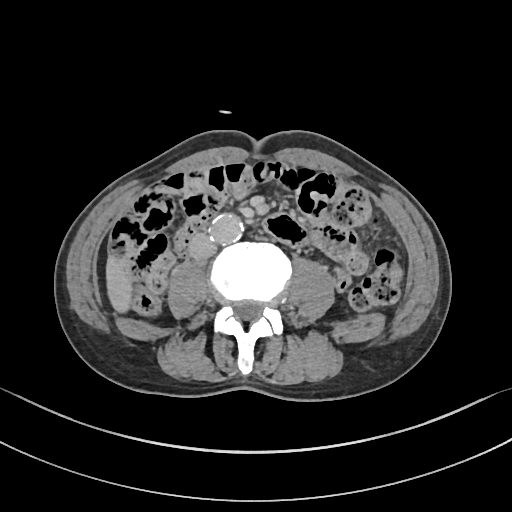

CT, abdomen/pelvis — axial view — SOMATOM Force scanner
Bounding boxes in pixels, one row per box: x1, y1 is the top-left corner and x2, y2 the bottom-right.
| organ | x1 | y1 | x2 | y2 |
|---|---|---|---|---|
| liver | 107 | 259 | 131 | 313 |
| aorta | 210 | 215 | 245 | 244 |
| inferior vena cava | 190 | 236 | 217 | 257 |